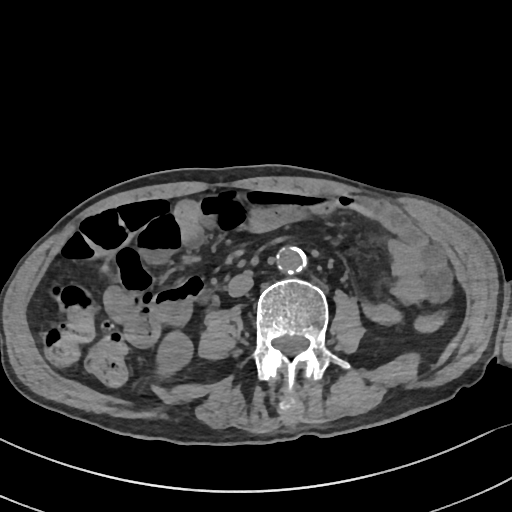
Computed tomography, abdomen; axial view
Boxes are (x1, y1, x2, y2) in pixels. 3 labeled organs on this slice — right kidney at (158, 331, 191, 372); aorta at (274, 246, 304, 273); inferior vena cava at (227, 272, 252, 296).